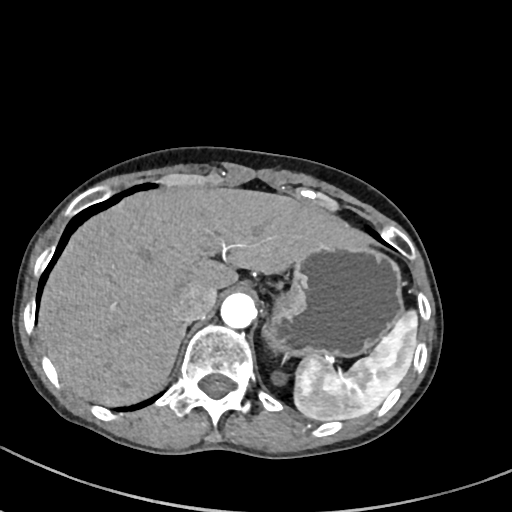 CT abdomen; Axial slice 181/207; soft-tissue window; 512x512 px; scan has 15 labeled organs (counted over the whole 3D scan, not this slice; an organ is boxed only where this slice passes through it)
{"organs":{"spleen":[294,310,417,420],"left kidney":[273,372,284,384],"liver":[39,187,377,406],"stomach":[263,247,403,358],"aorta":[220,293,256,328],"inferior vena cava":[175,284,216,322],"right adrenal gland":[181,323,187,336]}}